Abdominal CT; Axial slice 66/93; 512x512 px; 15 organs annotated in this scan (that count is for the whole scan; organs this slice misses have no box)
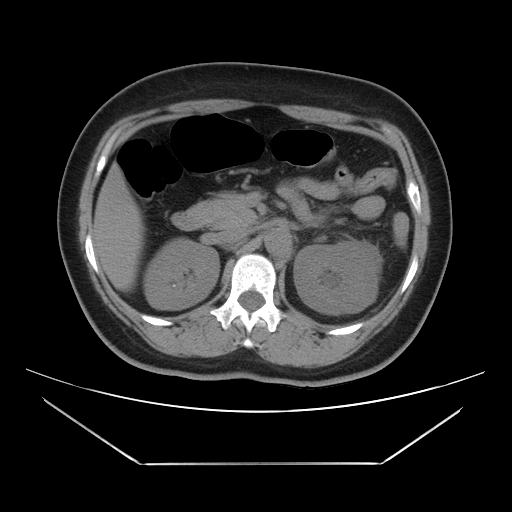 Coordinates as <box>x1,y1,x2,y2</box> in pixels.
Organ bounding boxes:
- aorta: <box>264,228,291,257</box>
- left kidney: <box>293,240,381,314</box>
- right kidney: <box>143,237,219,309</box>
- duodenum: <box>171,200,310,230</box>
- liver: <box>93,162,144,291</box>
- pancreas: <box>190,192,256,228</box>
- inferior vena cava: <box>219,226,250,243</box>